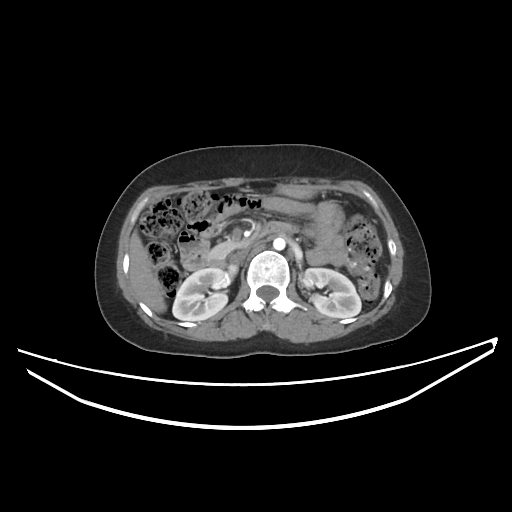
CT abdomen · Axial slice 65/126 · 37-year-old female patient · 15 organs annotated in this scan (that count is for the whole scan; organs this slice misses have no box)
Bounding boxes in pixels, one row per box: x1, y1 is the top-left corner and x2, y2 the bottom-right.
| organ | x1 | y1 | x2 | y2 |
|---|---|---|---|---|
| right kidney | 172 | 268 | 231 | 320 |
| left kidney | 302 | 268 | 361 | 317 |
| liver | 129 | 230 | 166 | 312 |
| stomach | 277 | 185 | 315 | 198 |
| aorta | 273 | 237 | 285 | 250 |
| inferior vena cava | 230 | 250 | 245 | 262 |
| pancreas | 210 | 240 | 240 | 258 |
| duodenum | 208 | 221 | 293 | 268 |